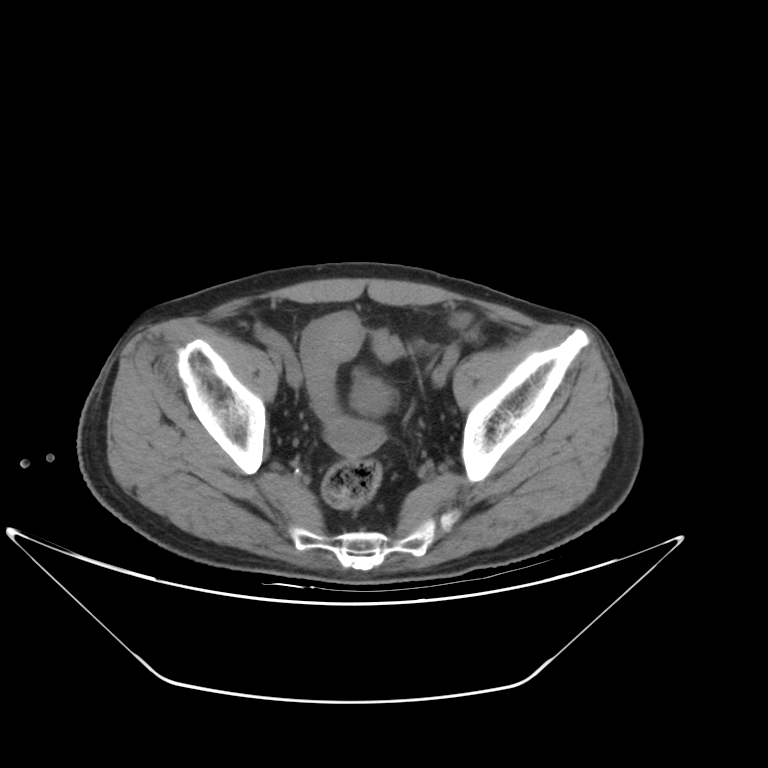
Abdominal CT — axial view — 768x768 px
Boxes: x1 y1 x2 y2 (pixel coords, space-separated).
Organ bounding boxes:
- bladder: 351 374 393 415